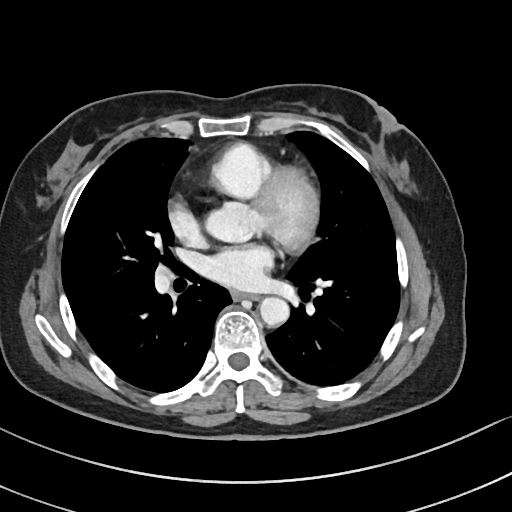 CT of the abdomen reaching into the lower chest, slice just above the liver and spleen. axial view
The heart and lungs are never labeled in this dataset, so they have no box on this slice. Bounding boxes as [x1, y1, x2, y2] in pixel coordinates. 2 labeled organs on this slice — esophagus at [231, 292, 258, 300]; aorta at [259, 296, 289, 325].